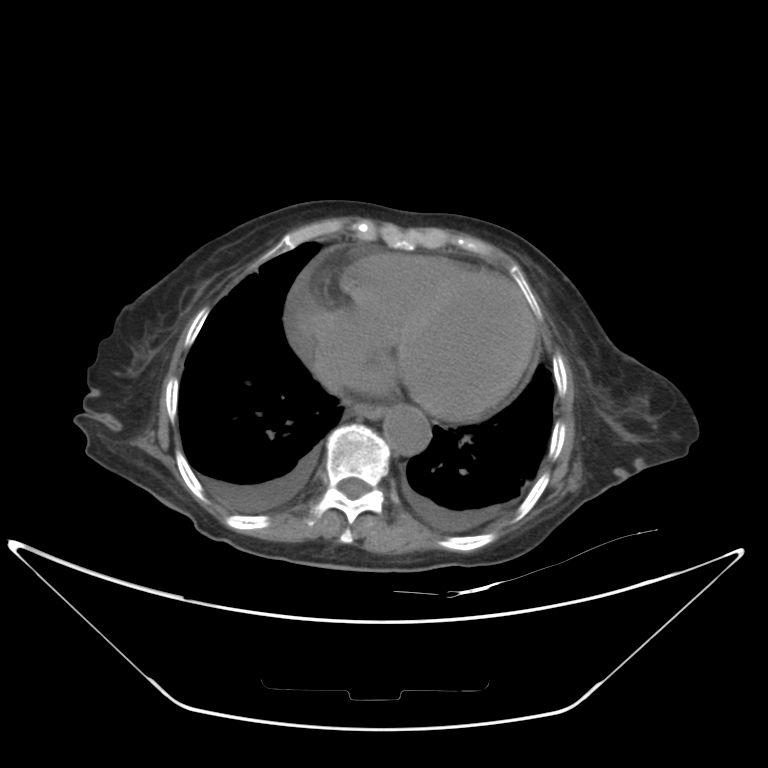 CT of the abdomen reaching into the lower chest, slice just above the liver and spleen. Axial slice 76/79. 768x768 px. female patient aged 90 or older. scan has 15 labeled organs (counted over the whole 3D scan, not this slice; an organ is boxed only where this slice passes through it)
Of the structures in the chest, this dataset labels only the esophagus, the aorta and the inferior vena cava; the heart and lungs have no label.
Box edges are left/top/right/bottom in pixels.
Organ bounding boxes:
- esophagus: left=349, top=402, right=386, bottom=419
- aorta: left=383, top=405, right=431, bottom=455